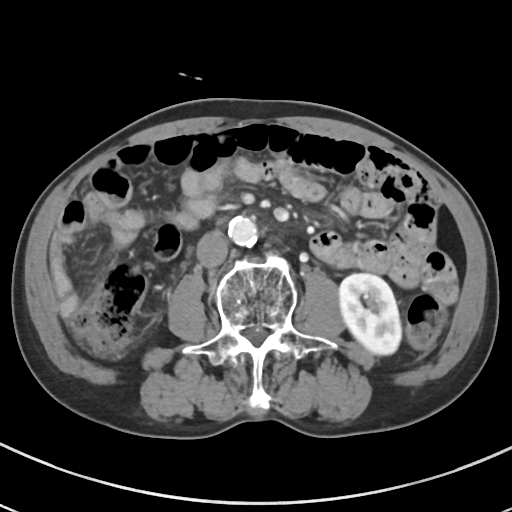
Computed tomography, abdomen — axial view — W/L 400/40 HU — SOMATOM Force scanner
<organs><organ name="aorta" x1="228" y1="216" x2="257" y2="246"/><organ name="left kidney" x1="339" y1="273" x2="401" y2="355"/><organ name="inferior vena cava" x1="196" y1="230" x2="228" y2="268"/></organs>